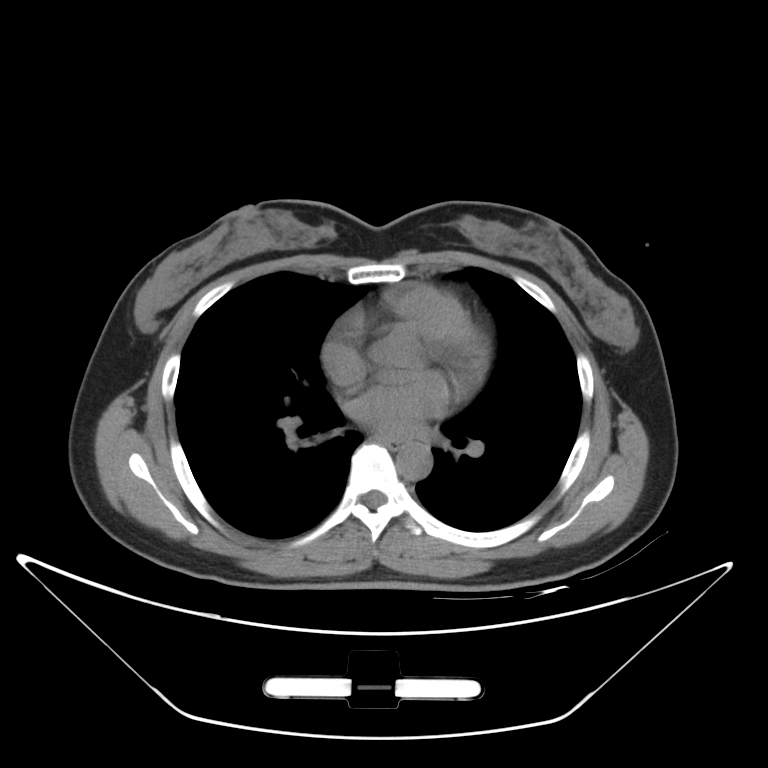
Abdominal CT; this slice is in the lower chest, just above the liver; Axial slice 102/105; W/L 400/40 HU
No part of the heart or lungs is labeled in this dataset, so neither has a box here. Each box given as x1,y1,x2,y2. Labeled organs on this slice: esophagus at x1=370, y1=433, x2=400, y2=449, aorta at x1=396, y1=442, x2=431, y2=478.